CT of the abdomen extending into the chest, slice through the chest — axial view — 512x512 px
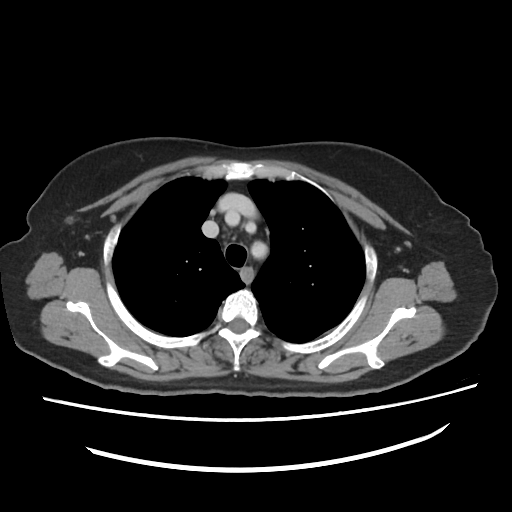

On a slice this high in the chest, this dataset labels only the esophagus and the aorta, and each is boxed only where it is labeled; the heart, lungs and other chest structures are not labeled.
Coordinates as <box>x1,y1,x2,y2</box> in pixels.
esophagus: <box>241,265,252,284</box>